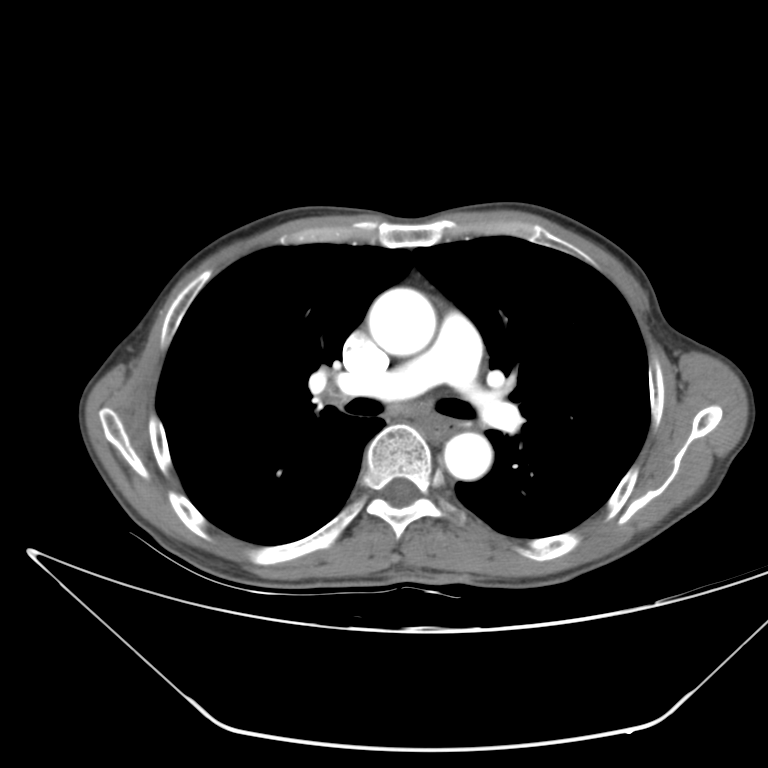
Chest-level slice from an abdominal CT that extends up into the chest; axial view; soft-tissue window; 62-year-old male patient; acquired on Brilliance16
At this level of the chest this dataset labels only the esophagus and the aorta, and each is boxed only where it is labeled; the heart and lungs are never labeled.
{"organs":{"esophagus":[422,415,462,441],"aorta":[[368,288,436,356],[443,432,492,479]]}}